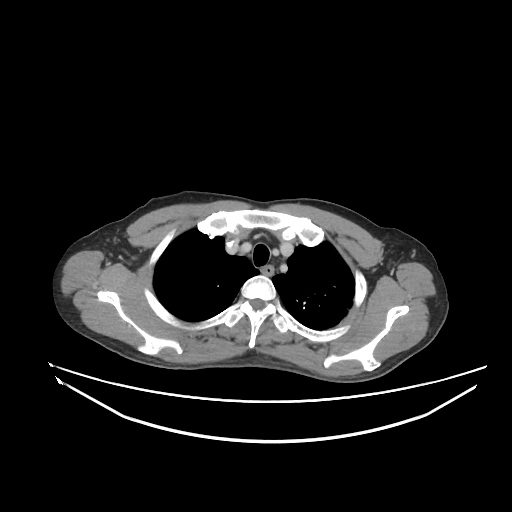
Chest-level CT slice, above the liver and spleen · axial view · soft-tissue window (W 400 / L 40) · 512x512 px
On a slice this high in the chest, this dataset labels only the esophagus and the aorta, and each is boxed only where it is labeled; the heart, lungs and other chest structures are not labeled.
Each box given as x1,y1,x2,y2.
esophagus: x1=261, y1=265, x2=273, y2=275